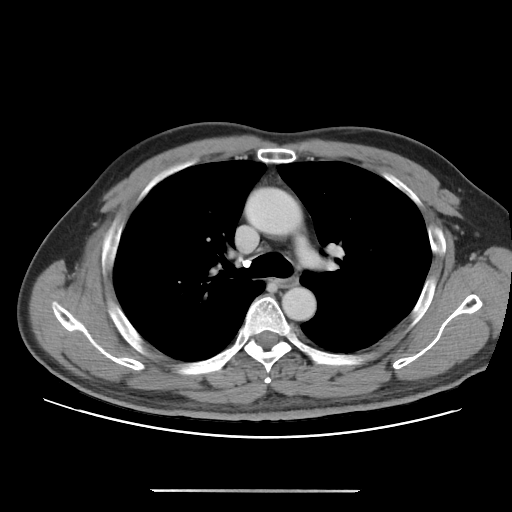 Chest-level CT slice, above the liver and spleen · Axial slice 113/131 · scan has 15 labeled organs (that count is for the whole scan; organs this slice misses have no box)
At this level of the chest this dataset labels only the esophagus and the aorta, and each is boxed only where it is labeled; the heart and lungs are never labeled.
Boxes are (x1, y1, x2, y2) in pixels.
esophagus: (279, 276, 298, 286)
aorta: (244, 187, 302, 235)
aorta: (282, 287, 316, 320)